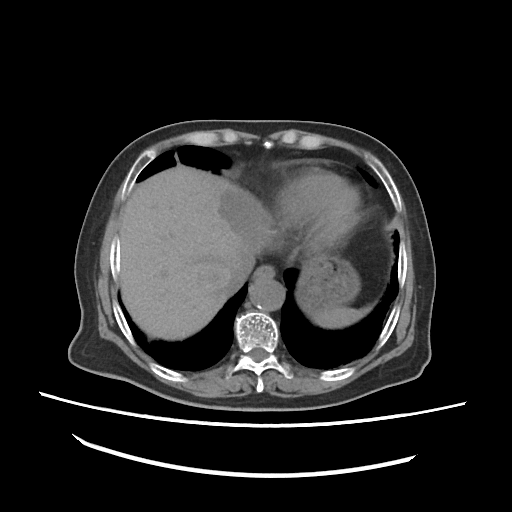 Computed tomography, abdomen — axial view — Aquilion ONE scanner — 15 organs annotated in this scan (that count is for the whole scan; organs this slice misses have no box)
Coordinates as <box>x1,y1,x2,y2</box> in pixels. The annotated organs in this slice are: stomach at <box>298,256,359,312</box>, aorta at <box>249,278,284,312</box>, esophagus at <box>253,265,275,278</box>, liver at <box>119,165,279,339</box>, inferior vena cava at <box>226,256,255,294</box>, spleen at <box>312,307,371,327</box>.